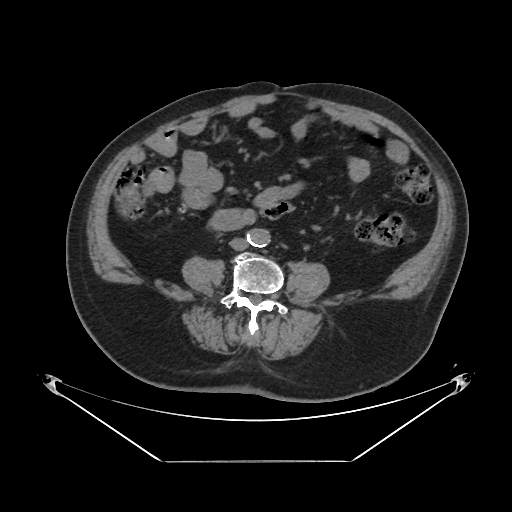
Abdominal CT. axial plane, index 154. soft-tissue window
Bounding boxes as [x1, y1, x2, y2] in pixel coordinates.
Organ bounding boxes:
- inferior vena cava: [229, 238, 248, 250]
- aorta: [247, 229, 270, 247]